CT, abdomen/pelvis · Axial slice 52/89
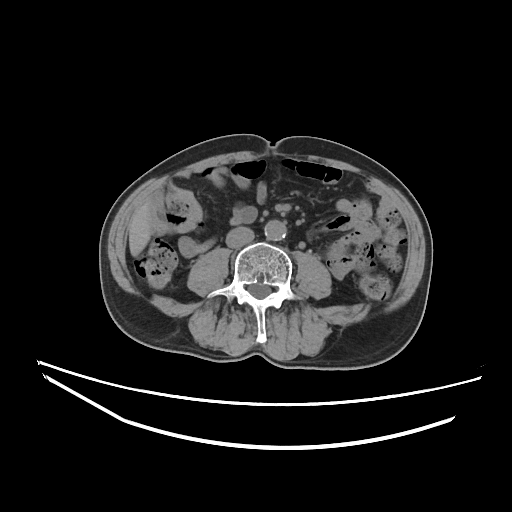 One row per box, in pixels: columns x1 and y1 give the top-left corner, x2 and y2 the bottom-right.
| organ | x1 | y1 | x2 | y2 |
|---|---|---|---|---|
| aorta | 264 | 220 | 286 | 241 |
| liver | 129 | 203 | 151 | 255 |
| inferior vena cava | 226 | 226 | 254 | 248 |